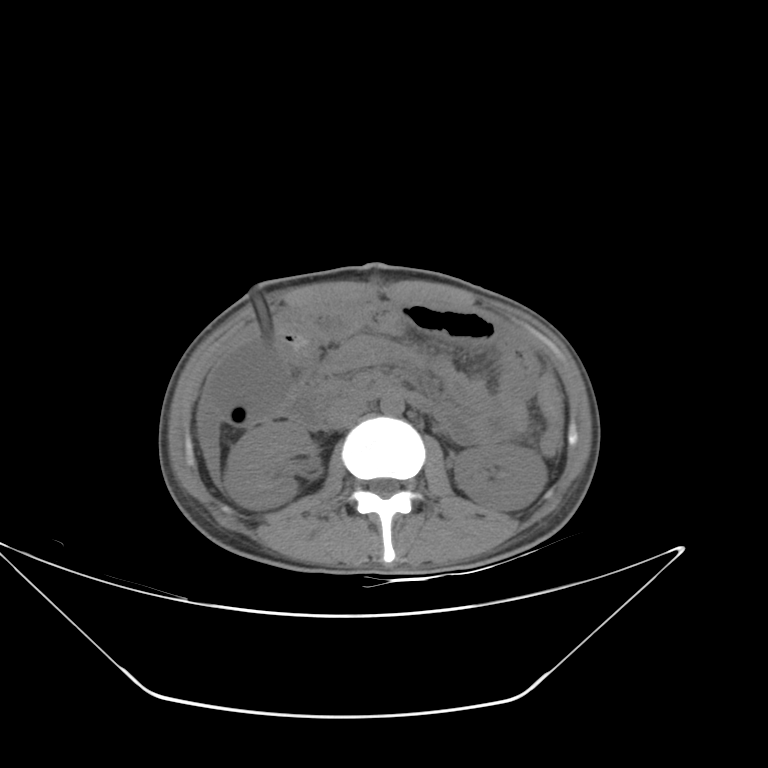
CT abdomen. axial view. W/L 400/40 HU. acquired on Brilliance16
Boxes: x1:y1:x2:y2 in pixels. Labeled organs on this slice: right kidney at 223:421:311:509, inferior vena cava at 326:398:367:429, aorta at 380:392:404:415, duodenum at 284:379:391:430, left kidney at 454:444:547:511.